Computed tomography, abdomen — axial view — abdomen soft-tissue window — SOMATOM Force scanner
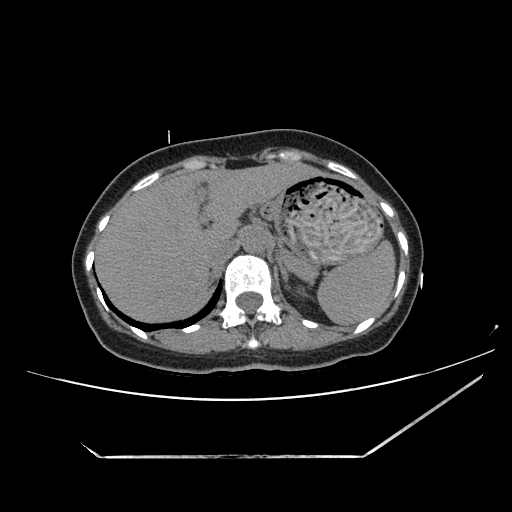

{"organs":{"spleen":[317,240,395,325],"stomach":[262,172,383,263],"inferior vena cava":[204,239,232,264],"left adrenal gland":[276,257,291,285],"pancreas":[285,254,314,277],"liver":[96,162,319,322],"aorta":[240,226,270,253]}}